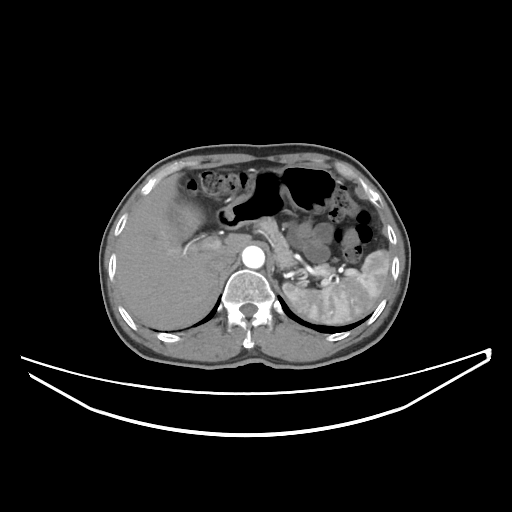

Computed tomography, abdomen · axial view · 512x512 px · 62-year-old male patient
Boxes: x1 y1 x2 y2 (pixel coords, space-separated).
Organ bounding boxes:
- spleen: 282 250 390 324
- aorta: 242 246 264 268
- pancreas: 254 217 334 275
- duodenum: 217 210 239 228
- gall bladder: 167 206 181 228
- inferior vena cava: 210 251 235 271
- liver: 116 174 249 329
- stomach: 223 164 337 225